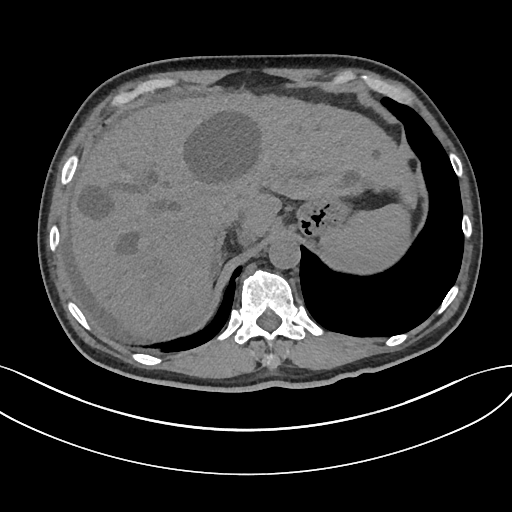 Computed tomography, abdomen — axial view
One row per box, in pixels: columns x1 and y1 give the top-left corner, x2 and y2 the bottom-right.
| organ | x1 | y1 | x2 | y2 |
|---|---|---|---|---|
| spleen | 319 | 203 | 410 | 273 |
| liver | 71 | 90 | 415 | 341 |
| stomach | 296 | 197 | 350 | 237 |
| aorta | 268 | 236 | 300 | 269 |
| inferior vena cava | 211 | 207 | 240 | 231 |
| right adrenal gland | 213 | 235 | 223 | 273 |